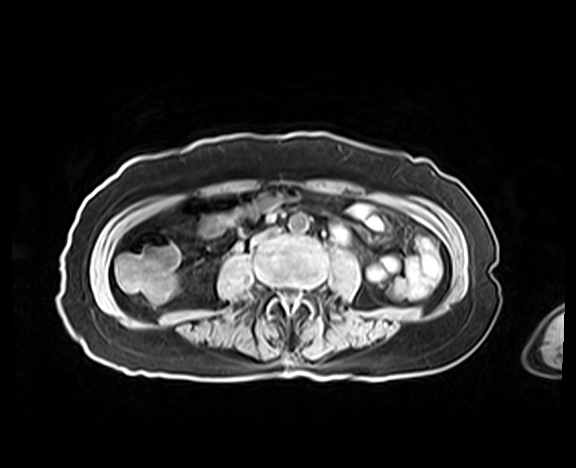 MRI, abdomen — axial view — percentile-normalized — scan has 12 labeled organs (that count is for the whole scan; organs this slice misses have no box)
Boxes: x1:y1:x2:y2 in pixels.
inferior vena cava: 250:226:279:246
aorta: 288:212:308:232